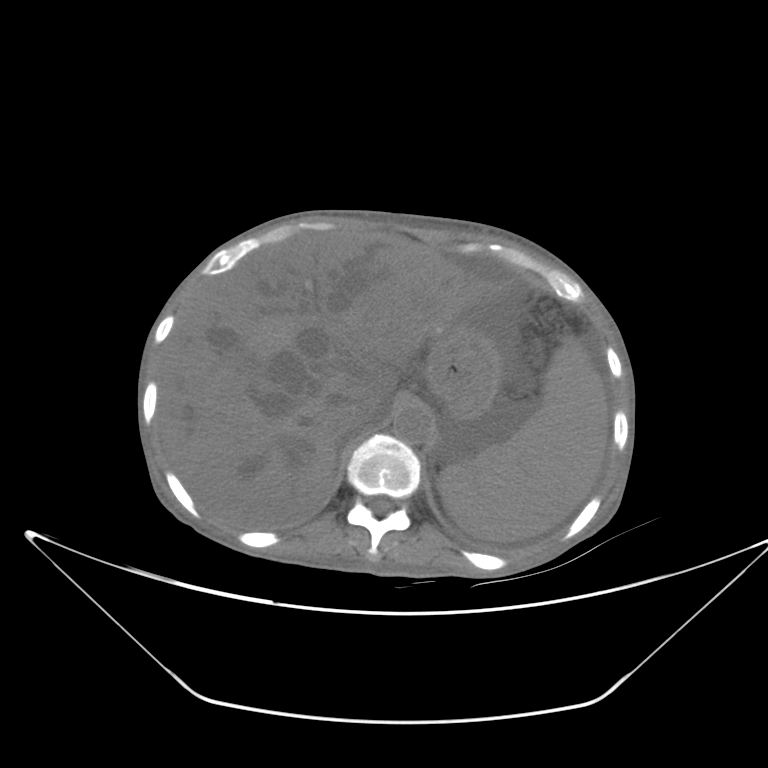
Computed tomography, abdomen; axial view; 768x768 px; 56-year-old female patient
Box edges are left/top/right/bottom in pixels.
Organ bounding boxes:
- inferior vena cava: left=330, top=407, right=379, bottom=440
- liver: left=158, top=233, right=478, bottom=528
- stomach: left=425, top=322, right=501, bottom=421
- aorta: left=392, top=404, right=433, bottom=444
- spleen: left=437, top=337, right=608, bottom=542